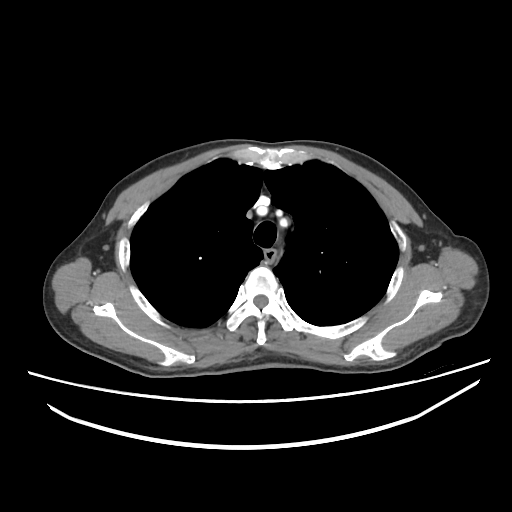
Abdominal CT reaching into the chest; this slice is in the chest; axial view; 63-year-old male patient; scan has 13 labeled organs (that count is for the whole scan; organs this slice misses have no box)
On a slice this high in the chest, this dataset labels only the esophagus and the aorta, and each is boxed only where it is labeled; the heart, lungs and other chest structures are not labeled.
<organs><organ name="esophagus" x1="264" y1="249" x2="276" y2="261"/></organs>